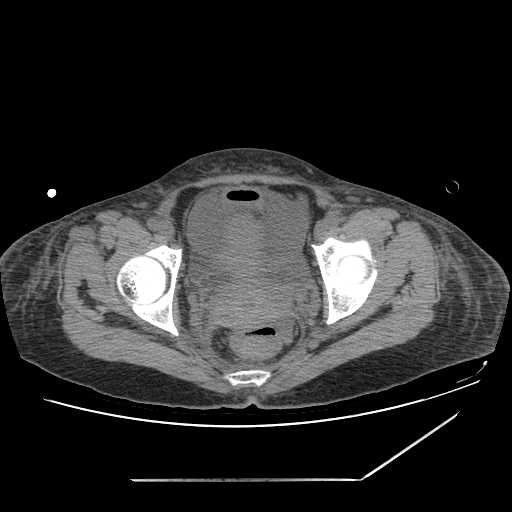

CT abdomen · axial view · soft-tissue window
Boxes: x1:y1:x2:y2 in pixels.
bladder: 222:184:262:207
prostate/uterus: 212:212:284:328